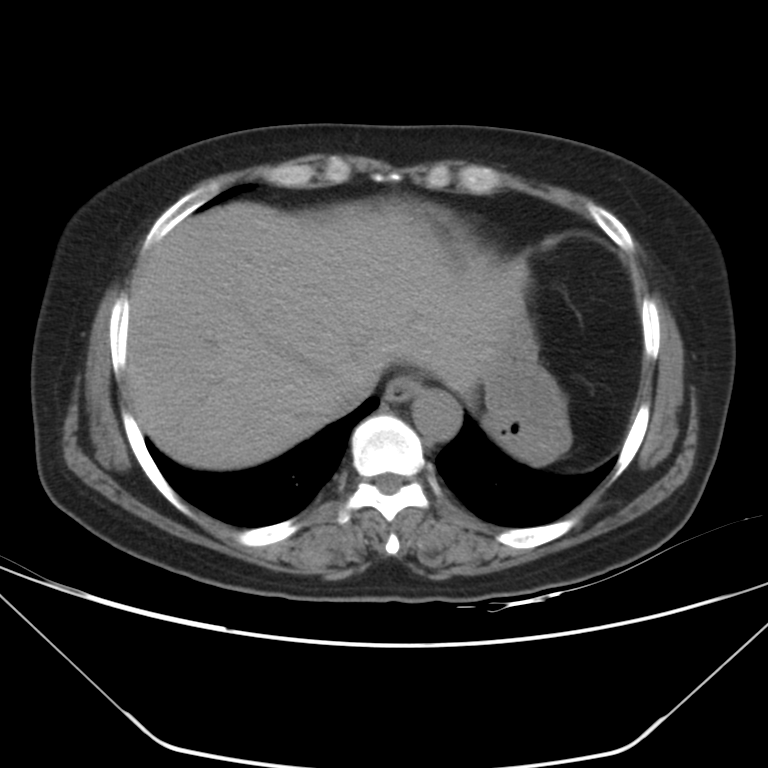
Abdominal CT · axial view · W/L 400/40 HU · 768x768 px
Bounding boxes as [x1, y1, x2, y2] in pixel coordinates.
esophagus: [385, 375, 422, 402]
aorta: [411, 388, 461, 440]
stomach: [483, 317, 570, 463]
liver: [127, 201, 525, 469]
inferior vena cava: [322, 363, 379, 413]